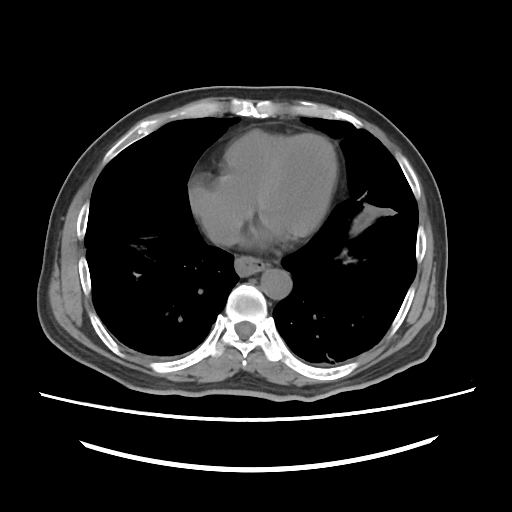 Lower-chest slice from an abdominal CT, just above the liver and spleen; axial view; 512x512 px; 49-year-old male patient
No part of the heart or lungs is labeled in this dataset, so neither has a box here.
Boxes: x1:y1:x2:y2 in pixels.
esophagus: 234:256:268:275
inferior vena cava: 208:227:239:245
aorta: 261:269:291:299